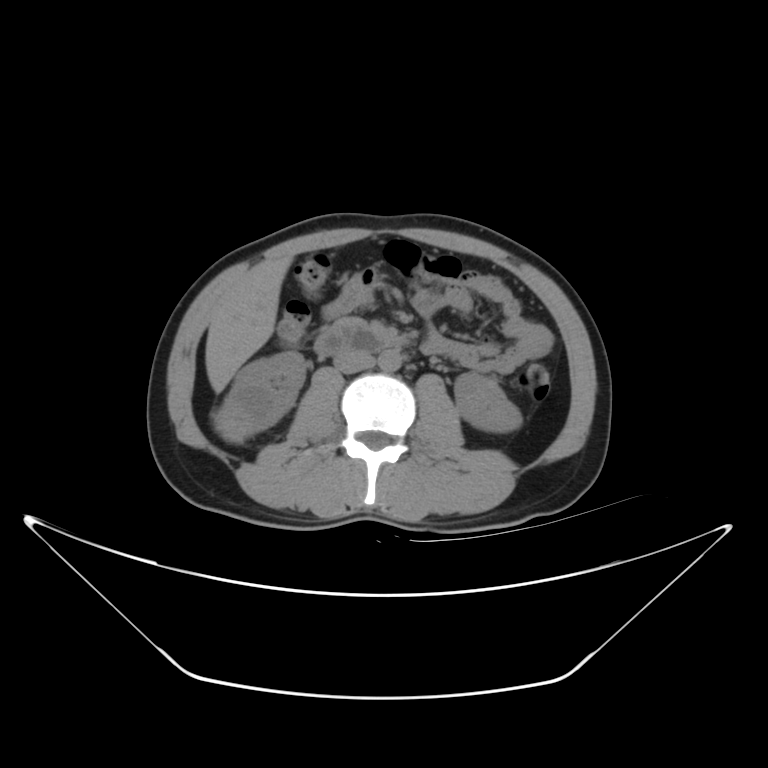 Computed tomography, abdomen — axial plane, index 55 — soft-tissue window — 31-year-old male patient — 15 organs annotated in this scan (that count is for the whole scan; organs this slice misses have no box)
Boxes: x1:y1:x2:y2 in pixels.
right kidney: 217:351:303:442
left kidney: 452:373:521:431
liver: 206:252:294:391
aorta: 380:348:403:371
inferior vena cava: 333:343:372:370
pancreas: 333:315:369:327
duodenum: 312:323:386:355